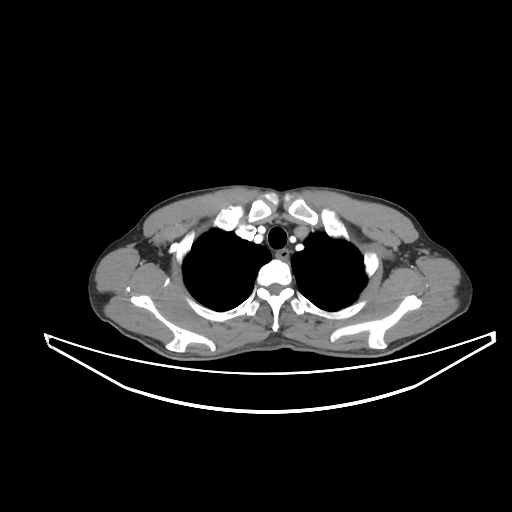

Chest-level slice from an abdominal CT that extends up into the chest; Axial slice 128/134; soft-tissue window
At this level of the chest this dataset labels only the esophagus and the aorta, and each is boxed only where it is labeled; the heart and lungs are never labeled.
{"organs":{"esophagus":[275,248,288,257]}}